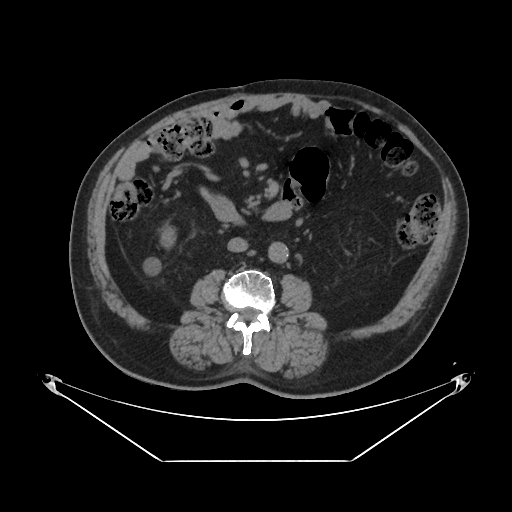 CT, abdomen/pelvis · axial view · 15 organs annotated in this scan (that count is for the whole scan; organs this slice misses have no box)
Boxes: x1 y1 x2 y2 (pixel coords, space-separated). 4 labeled organs on this slice — right kidney at 161 227 173 246; aorta at 268 241 288 262; inferior vena cava at 227 237 248 251; duodenum at 211 197 240 222.